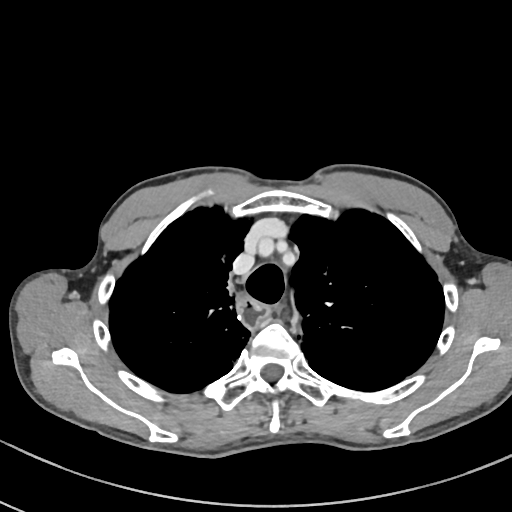
Chest-level CT slice, above the liver and spleen · axial view · soft-tissue window (W 400 / L 40)
On a slice this high in the chest, this dataset labels only the esophagus and the aorta, and each is boxed only where it is labeled; the heart, lungs and other chest structures are not labeled.
{"organs":{"esophagus":[236,294,272,328]}}